Lower-chest slice from an abdominal CT, just above the liver and spleen — axial view — W/L 400/40 HU — scan has 15 labeled organs (a whole-scan count: organs this slice does not pass through have no box)
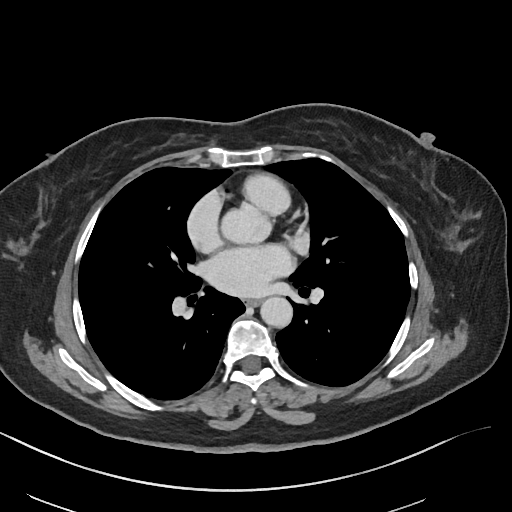

Of the structures in the chest, this dataset labels only the esophagus, the aorta and the inferior vena cava; the heart and lungs have no label.
Bounding boxes in pixels, one row per box: x1, y1 is the top-left corner and x2, y2 the bottom-right.
| organ | x1 | y1 | x2 | y2 |
|---|---|---|---|---|
| esophagus | 246 | 299 | 259 | 306 |
| aorta | 260 | 296 | 292 | 327 |